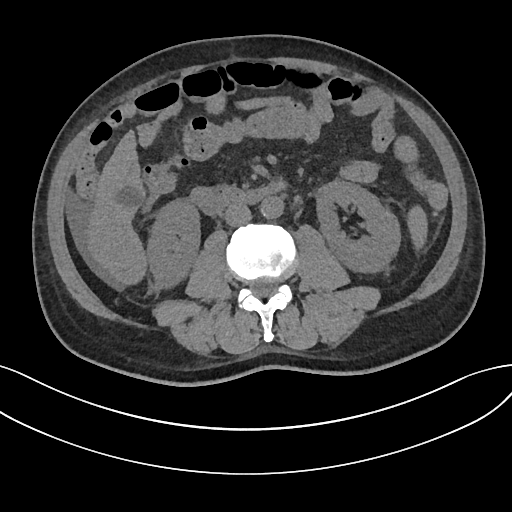 CT, abdomen/pelvis · axial plane, index 113
Box edges are left/top/right/bottom in pixels.
Organ bounding boxes:
- spleen: left=407, top=206, right=427, bottom=247
- right kidney: left=146, top=199, right=200, bottom=287
- left kidney: left=316, top=181, right=400, bottom=274
- liver: left=87, top=131, right=146, bottom=285
- aorta: left=260, top=196, right=283, bottom=219
- inferior vena cava: left=224, top=204, right=251, bottom=226
- duodenum: left=189, top=183, right=284, bottom=215